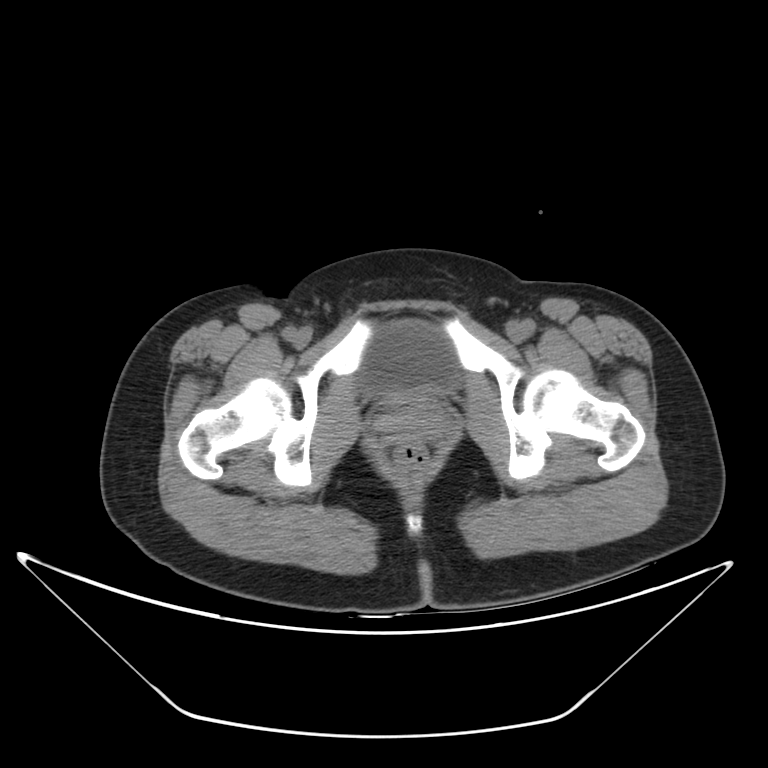 CT, abdomen/pelvis — axial view — 768x768 px — acquired on Brilliance16
{"organs":{"bladder":[361,320,456,395],"prostate/uterus":[431,412,435,415]}}